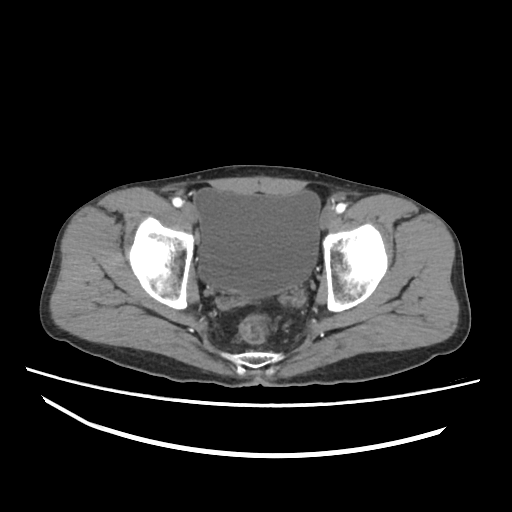 CT abdomen; axial view; W/L 400/40 HU; 40-year-old male patient
Each box given as x1,y1,x2,y2.
Organ bounding boxes:
- bladder: x1=194, y1=188, x2=320, y2=298